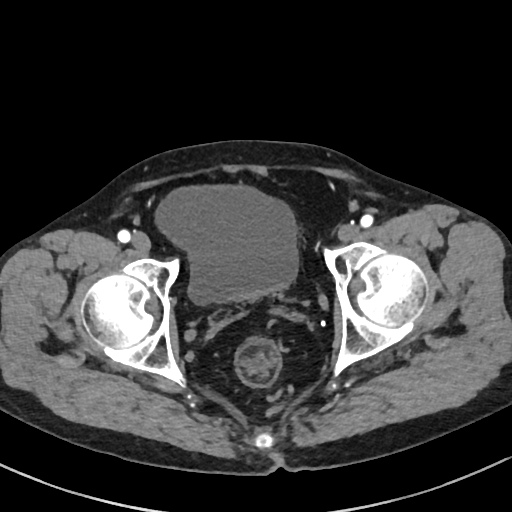

CT, abdomen/pelvis. axial view. W/L 400/40 HU
Each box given as x1,y1,x2,y2.
bladder: x1=155, y1=185, x2=298, y2=304